CT abdomen — axial view — SOMATOM Force scanner
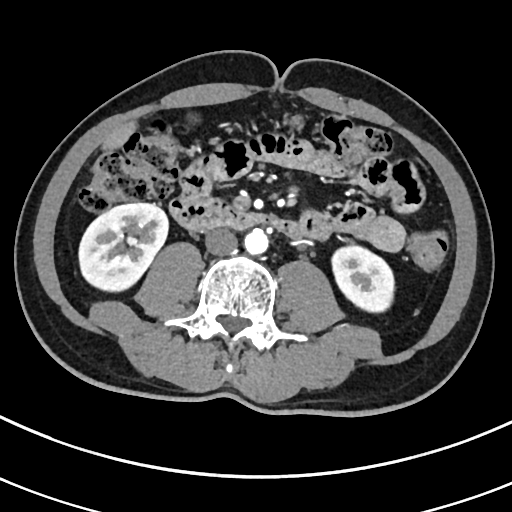

Boxes: x1:y1:x2:y2 in pixels.
duodenum: 169:197:300:238
right kidney: 78:202:168:292
left kidney: 330:244:395:312
aorta: 244:229:268:254
liver: 101:119:136:151
gall bladder: 181:109:204:130
inferior vena cava: 204:228:237:255